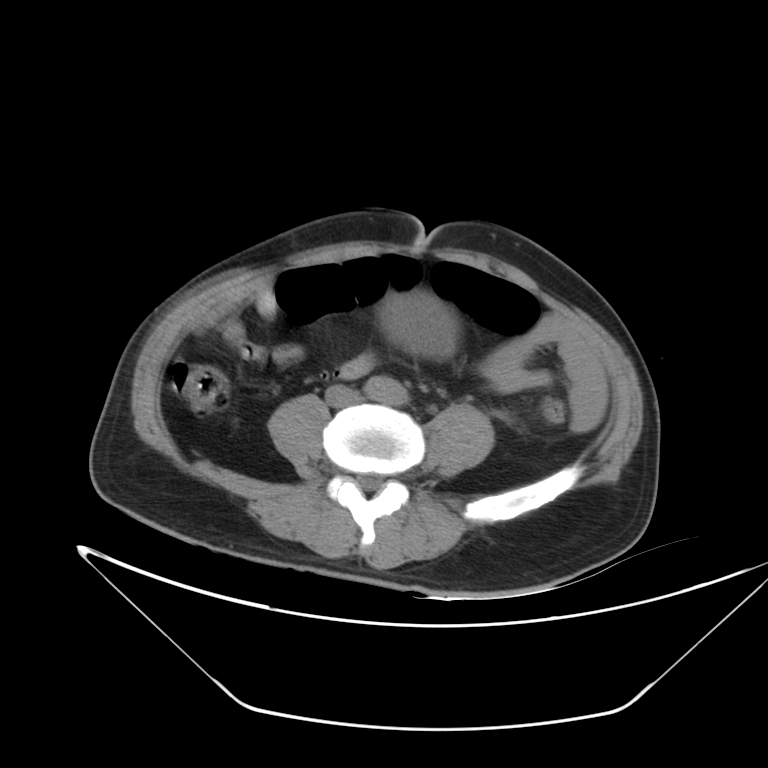
CT abdomen · Axial slice 49/107 · soft-tissue window (W 400 / L 40) · 47-year-old male patient · scan has 15 labeled organs (that count is for the whole scan; organs this slice misses have no box)
Coordinates as <box>x1,y1,x2,y2</box> in pixels. 3 labeled organs on this slice — bladder at <box>386,296,452,356</box>; inferior vena cava at <box>326,386,357,405</box>; aorta at <box>365,375,406,405</box>.